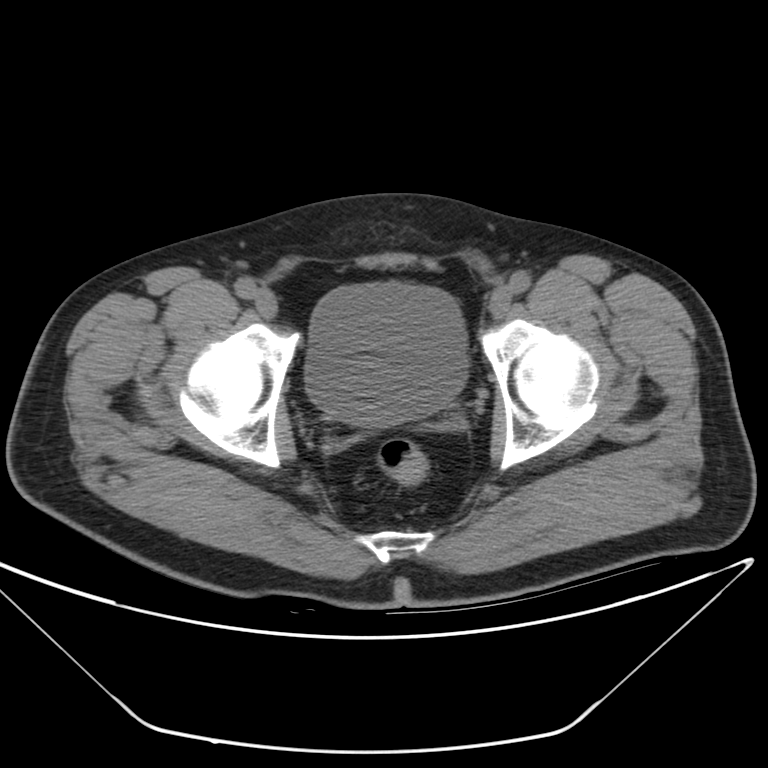

Computed tomography, abdomen; axial view; Brilliance16 scanner
Boxes are (x1, y1, x2, y2) in pixels.
Organ bounding boxes:
- bladder: (304, 280, 468, 425)